CT abdomen — axial view — W/L 400/40 HU — 14 organs annotated in this scan (counted over the whole 3D scan, not this slice; an organ is boxed only where this slice passes through it)
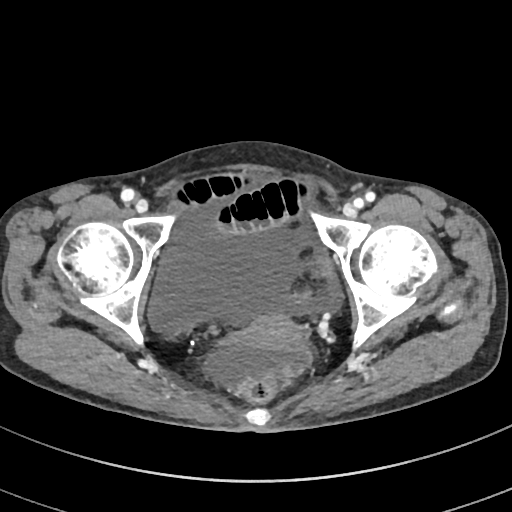
Box edges are left/top/right/bottom in pixels.
Organ bounding boxes:
- prostate/uterus: left=244, top=311, right=301, bottom=349